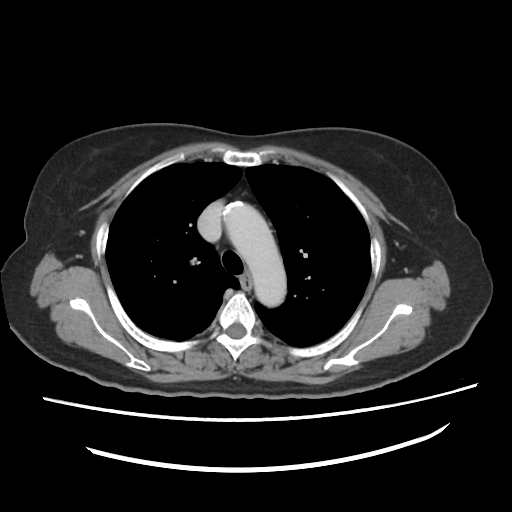

Chest-level slice from an abdominal CT that extends up into the chest — Axial slice 112/128 — 61-year-old female patient — scan has 14 labeled organs (a whole-scan count: organs this slice does not pass through have no box)
At this level of the chest no structure but the esophagus and the aorta has a label in this dataset, and those two are boxed only where they are labeled. Box edges are left/top/right/bottom in pixels. Labeled organs on this slice: esophagus at left=242, top=274, right=250, bottom=289, aorta at left=222, top=200, right=286, bottom=306.